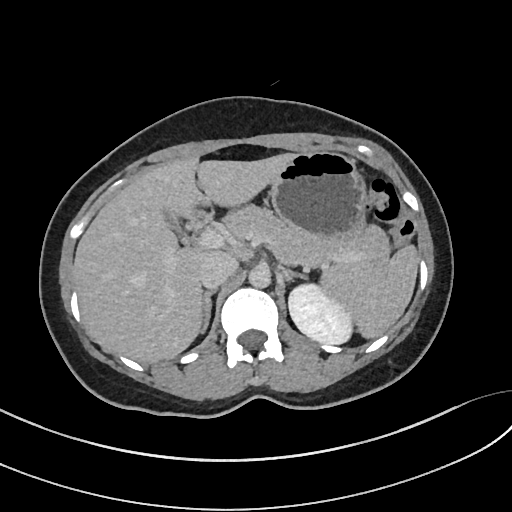 Computed tomography, abdomen — axial view — abdomen soft-tissue window — 512x512 px
{"organs":{"spleen":[321,245,419,338],"left kidney":[288,283,352,343],"gall bladder":[165,212,180,231],"liver":[72,153,292,363],"stomach":[269,150,366,245],"aorta":[248,266,270,288],"inferior vena cava":[199,252,238,289],"pancreas":[223,205,390,273],"right adrenal gland":[200,290,215,333],"left adrenal gland":[279,267,305,281],"duodenum":[192,213,208,226]}}